Computed tomography, abdomen; axial view; abdomen soft-tissue window; 60-year-old female patient; scan has 15 labeled organs (counted over the whole 3D scan, not this slice; an organ is boxed only where this slice passes through it)
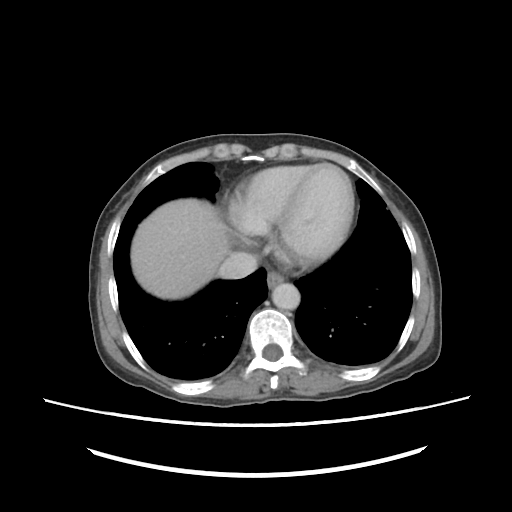
Organ boxes in pixel coordinates; each row gives the top-left (x1, y1) and bottom-right (x2, y2) corners.
| organ | x1 | y1 | x2 | y2 |
|---|---|---|---|---|
| inferior vena cava | 220 | 252 | 259 | 277 |
| aorta | 272 | 282 | 300 | 310 |
| liver | 132 | 169 | 338 | 299 |
| esophagus | 266 | 271 | 284 | 287 |